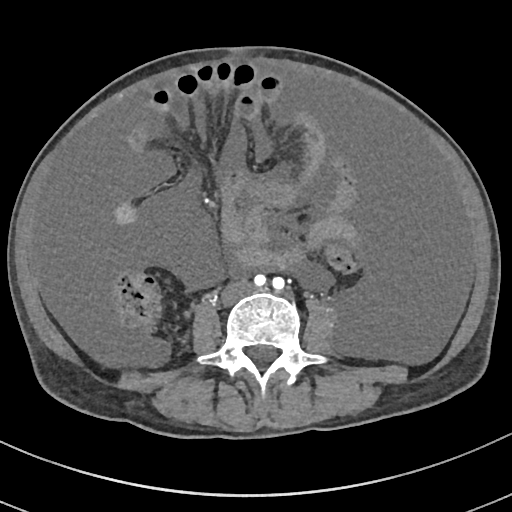

CT, abdomen/pelvis. Axial slice 103/237. W/L 400/40 HU. 512x512 px
Each box given as x1,y1,x2,y2. The annotated organs in this slice are: inferior vena cava at x1=221, y1=280, x2=252, y2=304.